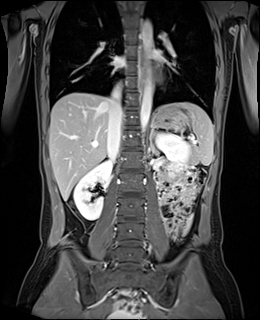
Magnetic resonance imaging, abdomen. coronal plane, index 69. 1st–99th percentile window. 260x320 px
One row per box, in pixels: columns x1 and y1 give the top-left corner, x2 and y2 the bottom-right.
| organ | x1 | y1 | x2 | y2 |
|---|---|---|---|---|
| spleen | 164 | 102 | 213 | 165 |
| right kidney | 73 | 159 | 112 | 220 |
| left kidney | 155 | 132 | 190 | 172 |
| esophagus | 139 | 48 | 145 | 88 |
| liver | 49 | 92 | 163 | 200 |
| stomach | 150 | 109 | 188 | 130 |
| aorta | 140 | 76 | 152 | 131 |
| aorta | 142 | 20 | 152 | 51 |
| inferior vena cava | 107 | 86 | 122 | 160 |
| left adrenal gland | 150 | 125 | 156 | 146 |